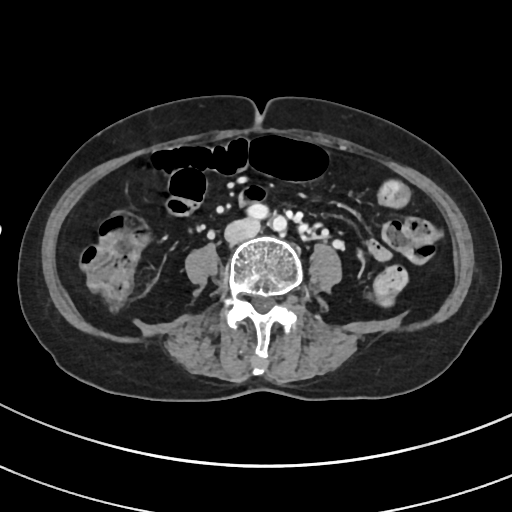 CT, abdomen/pelvis · axial view
{"organs":{"inferior vena cava":[224,218,261,244]}}